Computed tomography, abdomen; axial view; soft-tissue window; 512x512 px
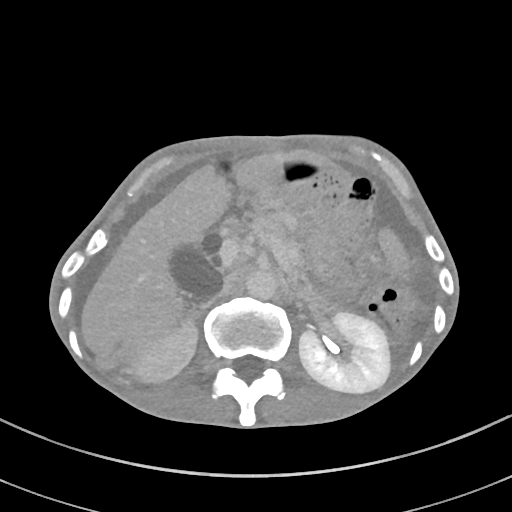
<organs><organ name="right adrenal gland" x1="189" y1="310" x2="199" y2="320"/><organ name="liver" x1="82" y1="149" x2="333" y2="351"/><organ name="aorta" x1="245" y1="269" x2="277" y2="299"/><organ name="gall bladder" x1="170" y1="246" x2="223" y2="303"/><organ name="duodenum" x1="222" y1="203" x2="243" y2="219"/><organ name="pancreas" x1="254" y1="207" x2="311" y2="291"/><organ name="stomach" x1="250" y1="187" x2="284" y2="208"/><organ name="spleen" x1="380" y1="229" x2="407" y2="268"/><organ name="right kidney" x1="133" y1="319" x2="197" y2="380"/><organ name="left kidney" x1="299" y1="312" x2="390" y2="393"/></organs>